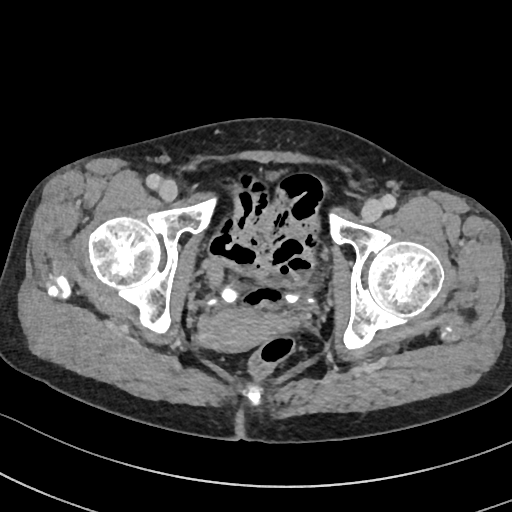
Abdominal CT; axial plane, index 18
Boxes: x1:y1:x2:y2 in pixels.
Organ bounding boxes:
- bladder: 222:283:302:302
- prostate/uterus: 198:308:292:352